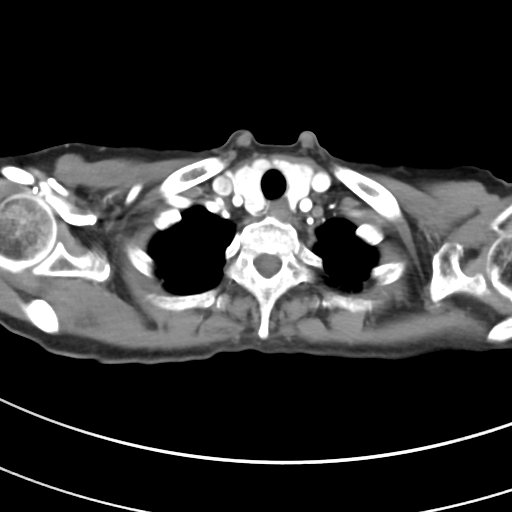 Chest-level CT slice, above the liver and spleen; axial view; soft-tissue window, W/L 400/40; SOMATOM Force scanner
On a slice this high in the chest, this dataset labels only the esophagus and the aorta, and each is boxed only where it is labeled; the heart, lungs and other chest structures are not labeled.
Organ boxes in pixel coordinates; each row gives the top-left (x1, y1) and bottom-right (x2, y2) corners.
| organ | x1 | y1 | x2 | y2 |
|---|---|---|---|---|
| esophagus | 271 | 203 | 290 | 221 |